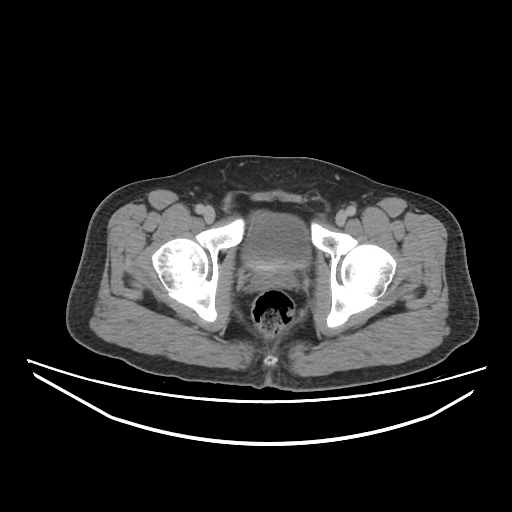

Abdominal CT. axial view. 512x512 px
Boxes: x1:y1:x2:y2 in pixels. Labeled organs on this slice: prostate/uterus at 252:270:294:289, bladder at 241:211:309:270.